CT abdomen; Axial slice 27/91; 512x512 px; Aquilion ONE scanner; scan has 15 labeled organs (that count is for the whole scan; organs this slice misses have no box)
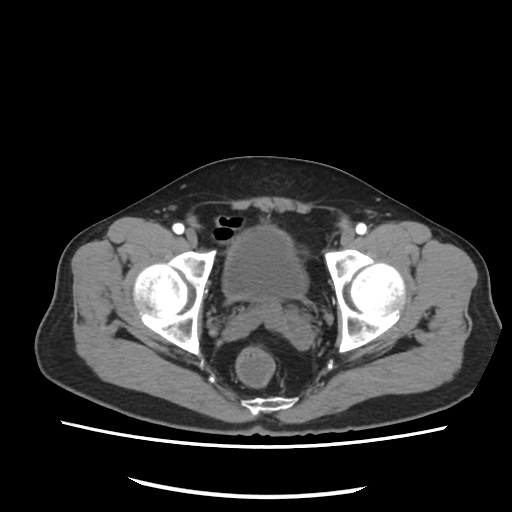
Boxes: x1 y1 x2 y2 (pixel coords, space-separated).
bladder: 223 226 304 299